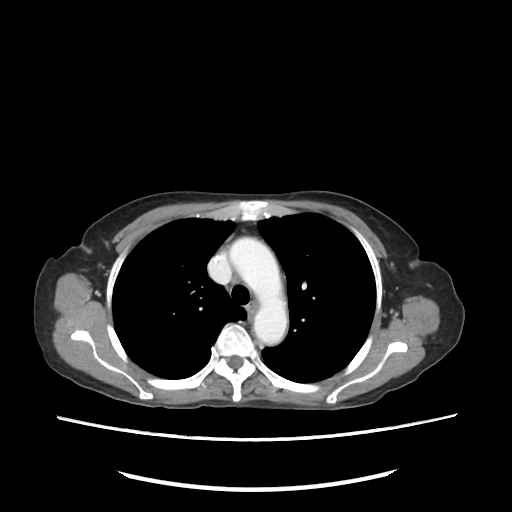
CT of the abdomen extending into the chest, slice through the chest; axial view; soft-tissue window
At this level of the chest no structure but the esophagus and the aorta has a label in this dataset, and those two are boxed only where they are labeled.
Boxes: x1 y1 x2 y2 (pixel coords, space-separated).
aorta: 231 236 286 343